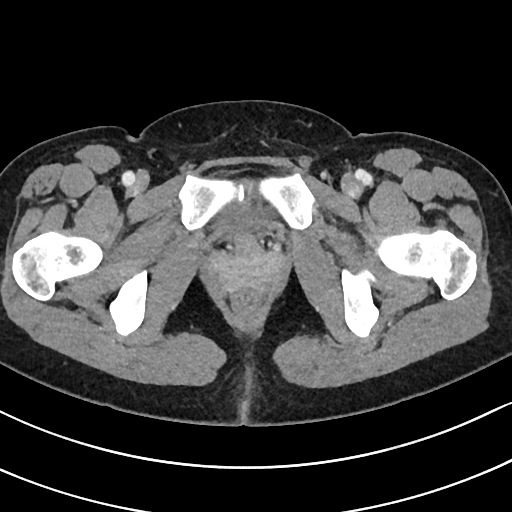

CT, abdomen/pelvis; axial view; W/L 400/40 HU; 512x512 px
Bounding boxes as [x1, y1, x2, y2] in pixel coordinates.
Organ bounding boxes:
- bladder: [218, 207, 259, 230]